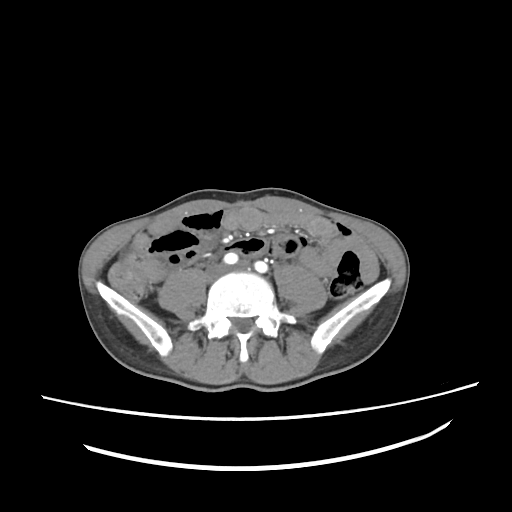 CT abdomen — axial view — abdomen soft-tissue window — 50-year-old male patient — 14 organs annotated in this scan (that count is for the whole scan; organs this slice misses have no box)
<organs><organ name="aorta" x1="226" y1="255" x2="234" y2="262"/></organs>